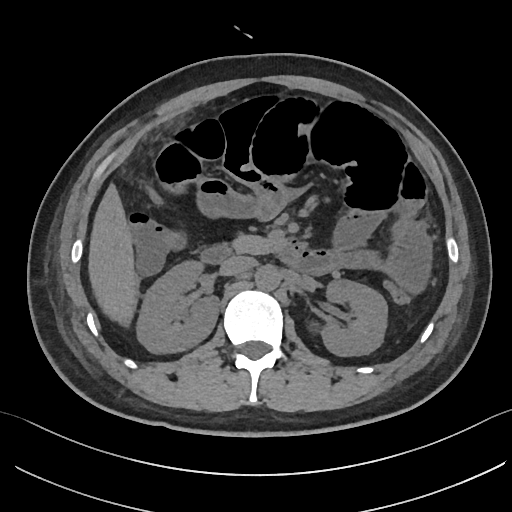

CT, abdomen/pelvis. axial view. W/L 400/40 HU
<organs><organ name="right kidney" x1="135" y1="259" x2="218" y2="352"/><organ name="left kidney" x1="319" y1="279" x2="387" y2="355"/><organ name="liver" x1="89" y1="186" x2="137" y2="322"/><organ name="aorta" x1="255" y1="265" x2="280" y2="289"/><organ name="inferior vena cava" x1="220" y1="256" x2="255" y2="276"/><organ name="pancreas" x1="233" y1="236" x2="281" y2="254"/><organ name="duodenum" x1="201" y1="243" x2="304" y2="266"/></organs>